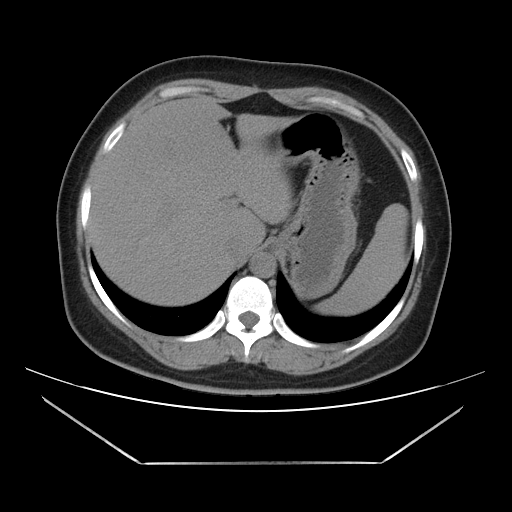 CT abdomen — axial view — W/L 400/40 HU — 512x512 px
{"organs":{"spleen":[314,203,407,315],"liver":[88,96,296,306],"stomach":[273,112,360,298],"aorta":[249,252,276,277],"inferior vena cava":[224,238,254,262]}}